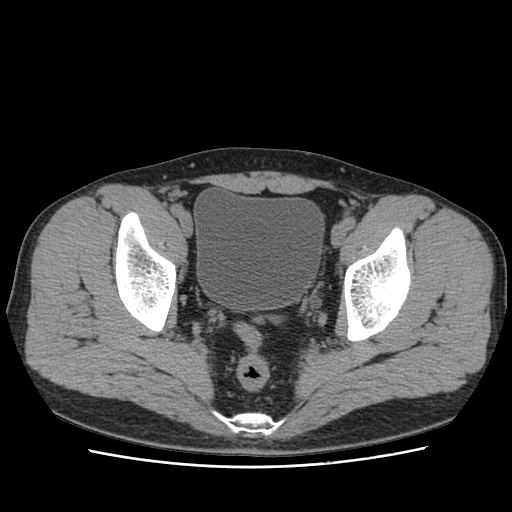

CT, abdomen/pelvis; axial view; soft-tissue window (W 400 / L 40); scan has 15 labeled organs (that count is for the whole scan; organs this slice misses have no box)
Boxes: x1 y1 x2 y2 (pixel coords, space-separated).
bladder: 194 189 325 310